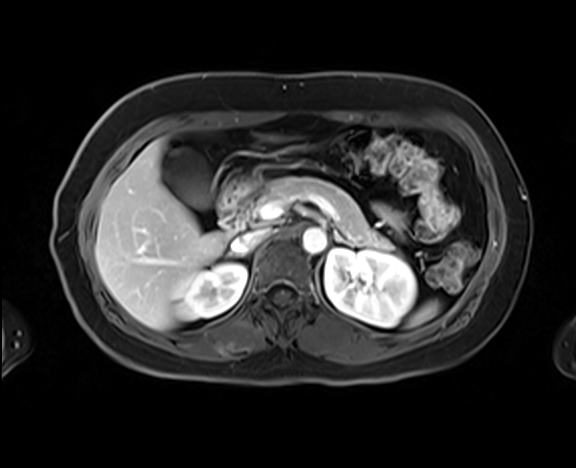
Magnetic resonance imaging, abdomen; axial view; Prisma scanner
Boxes are (x1, y1, x2, y2) in pixels.
Organ bounding boxes:
- spleen: (410, 301, 438, 325)
- right kidney: (173, 263, 246, 320)
- left kidney: (325, 248, 416, 327)
- gall bladder: (167, 151, 211, 208)
- liver: (95, 131, 293, 329)
- aorta: (302, 227, 326, 253)
- inferior vena cava: (231, 228, 269, 253)
- pancreas: (253, 176, 393, 250)
- left adrenal gland: (334, 230, 348, 244)
- duodenum: (220, 175, 260, 233)